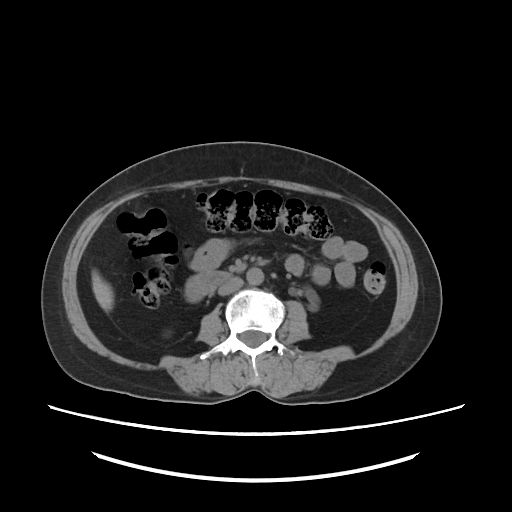
CT, abdomen/pelvis. axial view. 512x512 px
Bounding boxes in pixels, one row per box: x1, y1 is the top-left corner and x2, y2 the bottom-right.
| organ | x1 | y1 | x2 | y2 |
|---|---|---|---|---|
| right kidney | 165 | 329 | 173 | 337 |
| duodenum | 185 | 272 | 233 | 300 |
| inferior vena cava | 217 | 277 | 242 | 294 |
| aorta | 246 | 269 | 263 | 285 |
| liver | 90 | 267 | 112 | 310 |